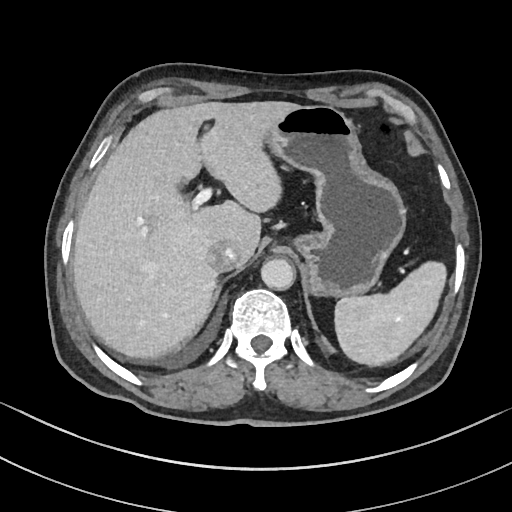

CT abdomen; Axial slice 191/221; W/L 400/40 HU; 512x512 px
Boxes: x1 y1 x2 y2 (pixel coords, space-separated). Labeled organs on this slice: spleen at 335 261 447 367, liver at 71 101 296 359, stomach at 265 105 405 296, aorta at 260 258 294 289, inferior vena cava at 207 241 237 272.